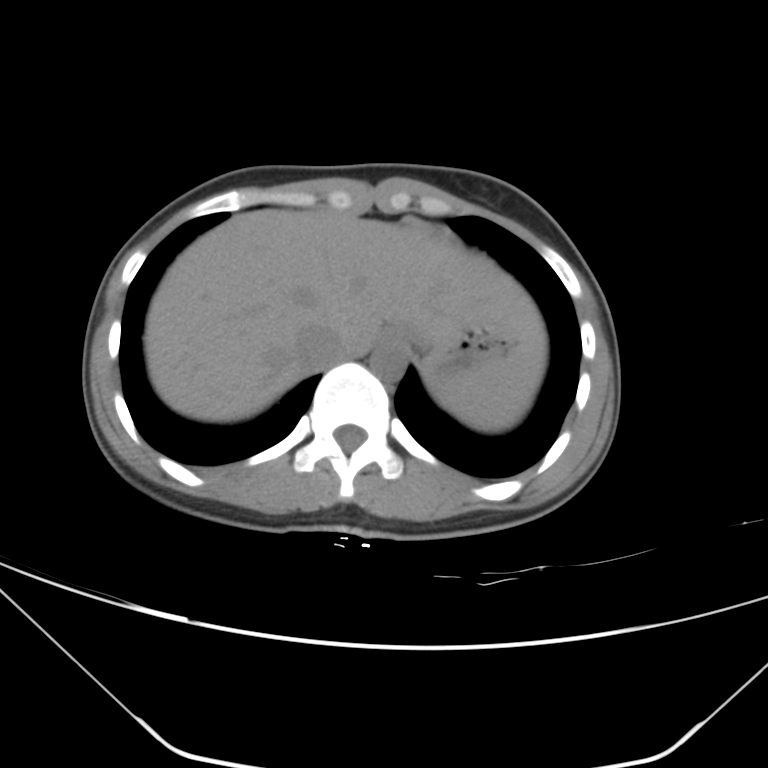

Computed tomography, abdomen · axial view · abdomen soft-tissue window · 768x768 px
{"organs":{"spleen":[431,345,544,430],"esophagus":[380,328,405,348],"liver":[145,209,546,422],"stomach":[418,330,505,386],"aorta":[369,345,406,380],"inferior vena cava":[293,324,346,372]}}